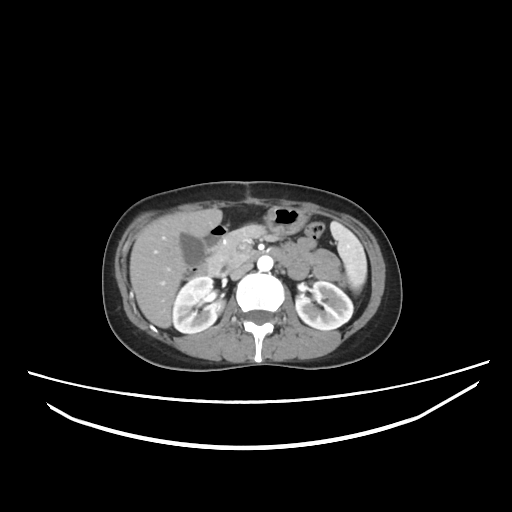
CT abdomen · axial plane, index 49 · 43-year-old female patient · acquired on Aquilion ONE
<organs><organ name="spleen" x1="330" y1="222" x2="366" y2="290"/><organ name="right kidney" x1="172" y1="276" x2="224" y2="333"/><organ name="left kidney" x1="295" y1="281" x2="352" y2="330"/><organ name="gall bladder" x1="180" y1="233" x2="204" y2="264"/><organ name="liver" x1="129" y1="208" x2="222" y2="328"/><organ name="stomach" x1="264" y1="206" x2="307" y2="234"/><organ name="aorta" x1="257" y1="256" x2="272" y2="271"/><organ name="inferior vena cava" x1="229" y1="262" x2="252" y2="279"/><organ name="pancreas" x1="207" y1="224" x2="269" y2="275"/><organ name="duodenum" x1="182" y1="224" x2="279" y2="278"/></organs>